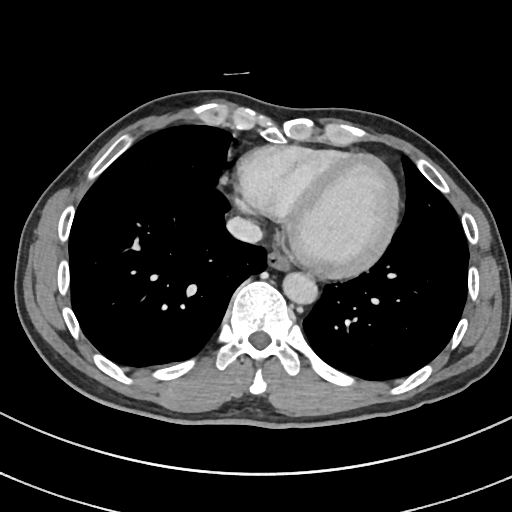 Abdominal CT; this slice is in the lower chest, just above the liver. Axial slice 184/298. soft-tissue window (W 400 / L 40). 15 organs annotated in this scan (counted over the whole 3D scan, not this slice; an organ is boxed only where this slice passes through it)
No part of the heart or lungs is labeled in this dataset, so neither has a box here.
{"organs":{"esophagus":[266,251,290,271],"aorta":[283,273,318,304],"inferior vena cava":[227,217,262,243]}}